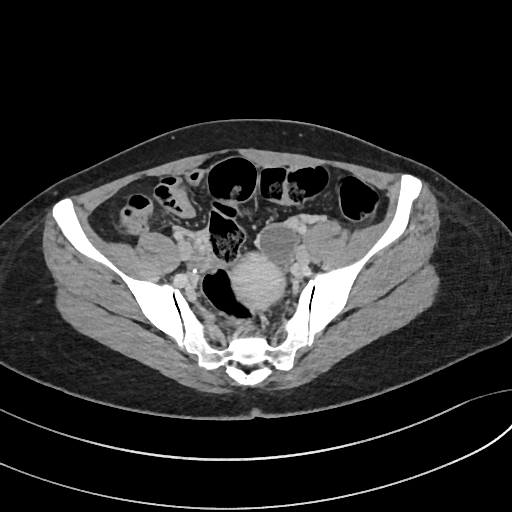

CT abdomen. axial view. soft-tissue window (W 400 / L 40)
{"organs":{"prostate/uterus":[232,253,284,308]}}